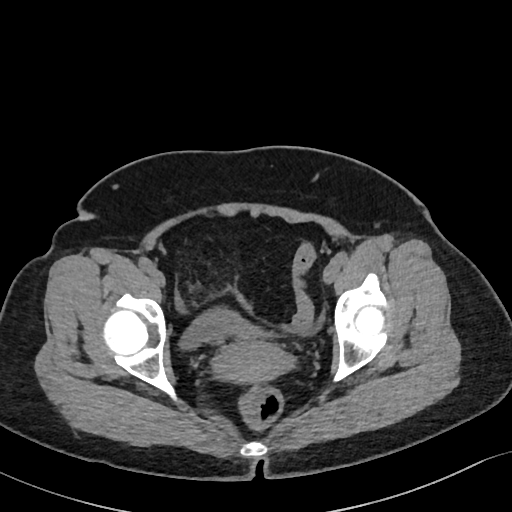

CT, abdomen/pelvis · axial plane, index 25 · scan has 15 labeled organs (counted over the whole 3D scan, not this slice; an organ is boxed only where this slice passes through it)
Boxes: x1:y1:x2:y2 in pixels.
Organ bounding boxes:
- bladder: 181:310:269:347
- prostate/uterus: 211:339:291:385